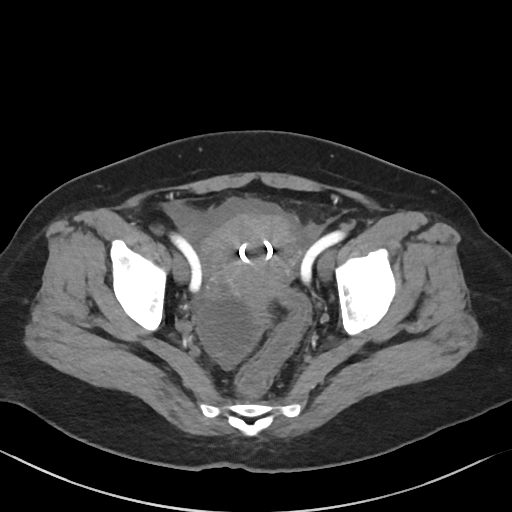

CT, abdomen/pelvis · axial view · 512x512 px · acquired on SOMATOM Force · 15 organs annotated in this scan (a whole-scan count: organs this slice does not pass through have no box)
Organ boxes in pixel coordinates; each row gives the top-left (x1, y1) and bottom-right (x2, y2) corners.
| organ | x1 | y1 | x2 | y2 |
|---|---|---|---|---|
| prostate/uterus | 205 | 214 | 297 | 312 |